Computed tomography, abdomen. Axial slice 79/112. 39-year-old female patient
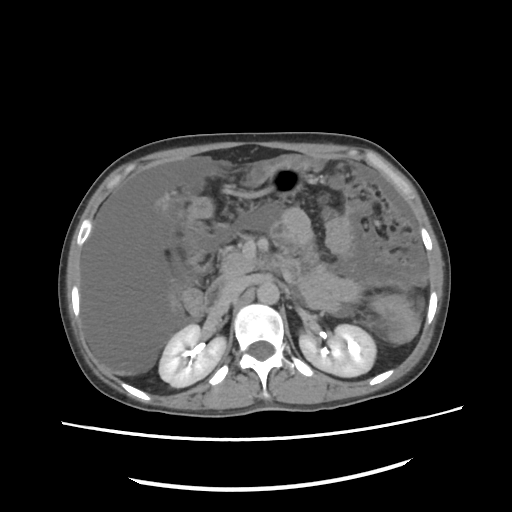 Boxes: x1 y1 x2 y2 (pixel coords, space-separated).
Organ bounding boxes:
- left kidney: 299 324 376 375
- right kidney: 159 324 225 387
- stomach: 270 166 304 201
- aorta: 257 280 279 304
- pancreas: 220 252 258 275
- duodenum: 203 255 300 311
- inferior vena cava: 220 278 248 302